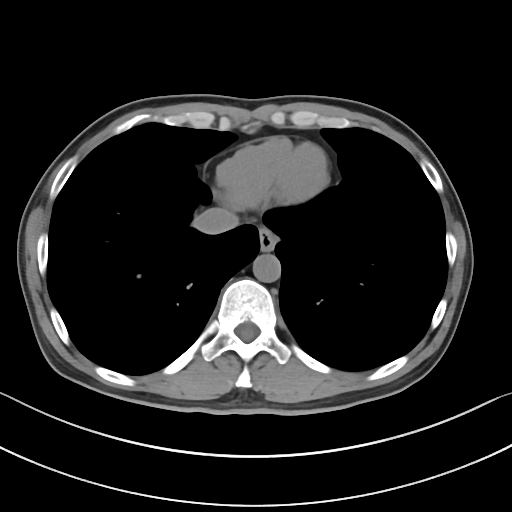

Lower-chest slice from an abdominal CT, just above the liver and spleen — axial plane, index 82
The heart and lungs are never labeled in this dataset, so they have no box on this slice.
Box edges are left/top/right/bottom in pixels.
aorta: left=253, top=254, right=280, bottom=282
inferior vena cava: left=193, top=207, right=238, bottom=234
esophagus: left=258, top=227, right=277, bottom=251